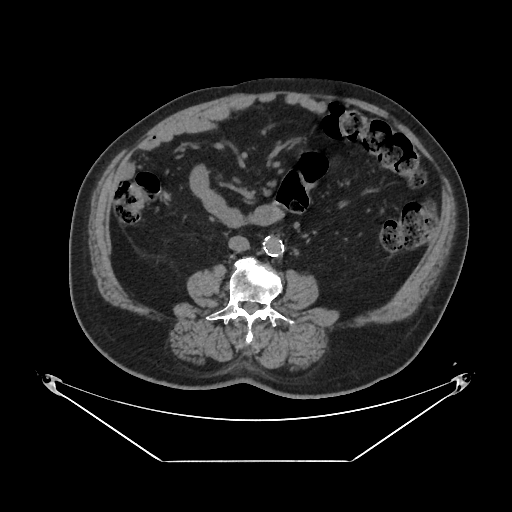

Computed tomography, abdomen; axial view; soft-tissue window (W 400 / L 40); acquired on SOMATOM Force
Each box given as x1,y1,x2,y2. The annotated organs in this slice are: inferior vena cava at x1=228, y1=236, x2=249, y2=251, aorta at x1=262, y1=236, x2=283, y2=256.